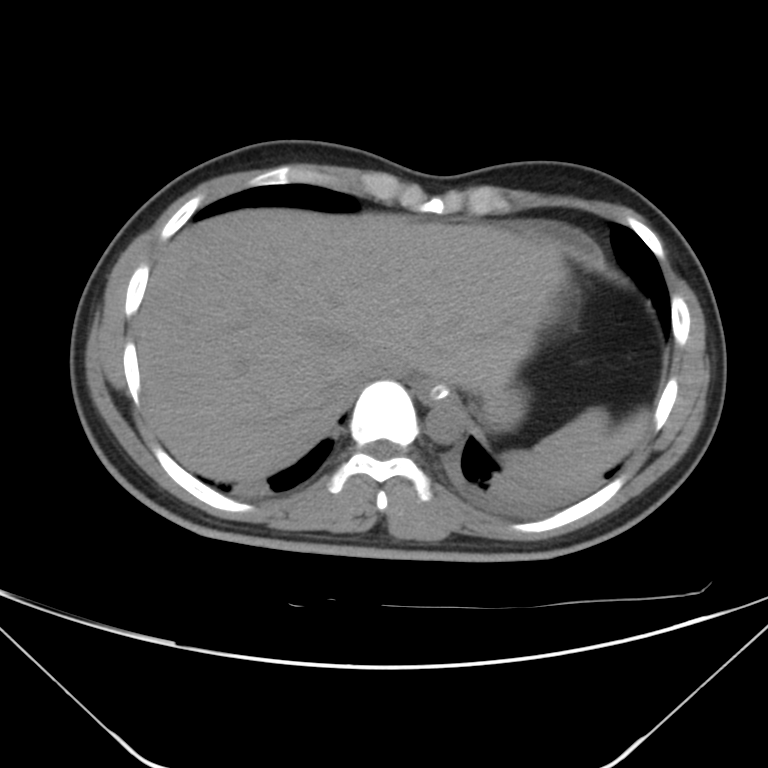 CT, abdomen/pelvis — axial plane, index 86 — W/L 400/40 HU — 768x768 px
Box edges are left/top/right/bottom in pixels. Labeled organs on this slice: spleen at left=503, top=412, right=614, bottom=489, esophagus at left=415, top=379, right=449, bottom=403, liver at left=137, top=208, right=647, bottom=482, stomach at left=482, top=281, right=562, bottom=430, aorta at left=425, top=397, right=466, bottom=443, inferior vena cava at left=353, top=364, right=409, bottom=386.